Computed tomography, abdomen; axial view; 512x512 px; 45-year-old male patient; Aquilion ONE scanner
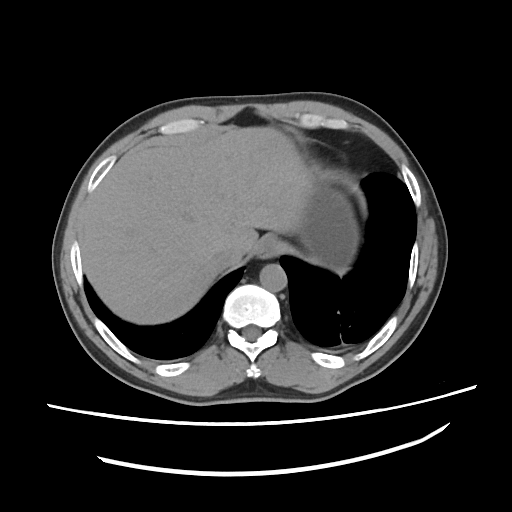
Each box given as x1,y1,x2,y2.
Organ bounding boxes:
- spleen: x1=339, y1=271, x2=344, y2=276
- esophagus: x1=257, y1=238, x2=275, y2=260
- liver: x1=82, y1=127, x2=312, y2=323
- stomach: x1=289, y1=174, x2=357, y2=270
- aorta: x1=260, y1=263, x2=286, y2=291
- inferior vena cava: x1=212, y1=248, x2=231, y2=269